CT abdomen; axial view; soft-tissue window; 768x768 px; scan has 15 labeled organs (counted over the whole 3D scan, not this slice; an organ is boxed only where this slice passes through it)
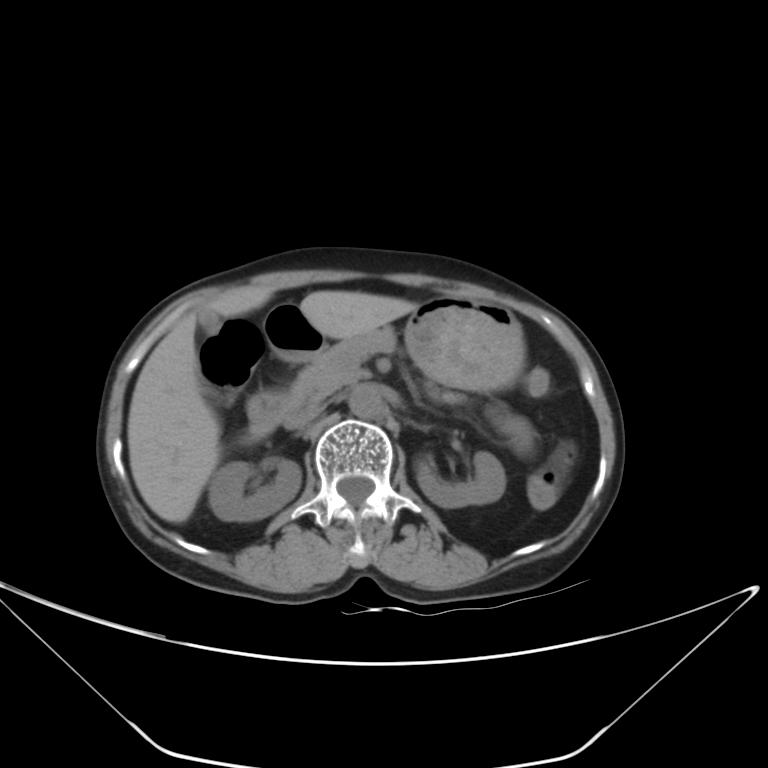 Organ boxes in pixel coordinates; each row gives the top-left (x1, y1) and bottom-right (x2, y2) corners.
| organ | x1 | y1 | x2 | y2 |
|---|---|---|---|---|
| right kidney | 208 | 458 | 301 | 521 |
| left kidney | 417 | 452 | 505 | 508 |
| gall bladder | 198 | 307 | 219 | 334 |
| liver | 127 | 286 | 416 | 522 |
| stomach | 264 | 297 | 524 | 391 |
| aorta | 348 | 385 | 384 | 419 |
| inferior vena cava | 284 | 404 | 324 | 429 |
| pancreas | 286 | 329 | 395 | 410 |
| duodenum | 248 | 392 | 289 | 436 |